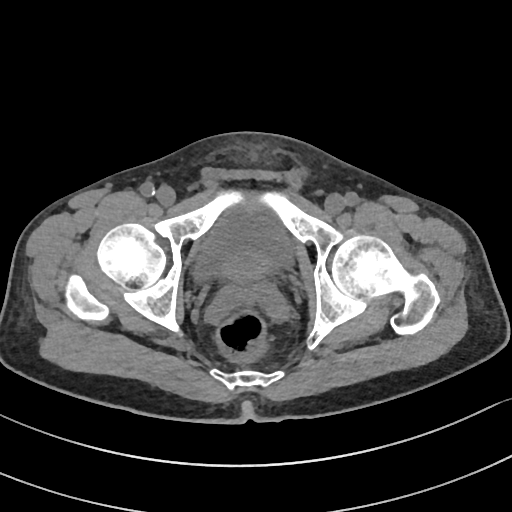

Abdominal CT — axial plane, index 19 — W/L 400/40 HU
<organs><organ name="bladder" x1="195" y1="212" x2="292" y2="278"/><organ name="prostate/uterus" x1="227" y1="253" x2="269" y2="290"/></organs>